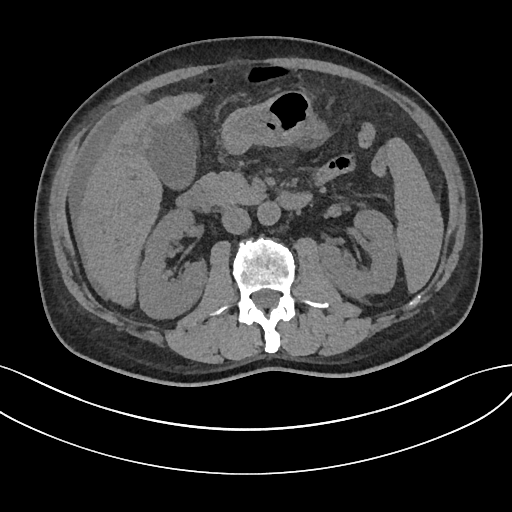 CT abdomen; axial view; W/L 400/40 HU
Organ boxes in pixel coordinates; each row gives the top-left (x1, y1) and bottom-right (x2, y2) corners.
| organ | x1 | y1 | x2 | y2 |
|---|---|---|---|---|
| spleen | 386 | 137 | 443 | 294 |
| right kidney | 137 | 210 | 208 | 319 |
| left kidney | 319 | 211 | 397 | 298 |
| gall bladder | 147 | 120 | 197 | 190 |
| liver | 74 | 93 | 204 | 307 |
| stomach | 220 | 90 | 330 | 154 |
| aorta | 257 | 202 | 280 | 226 |
| inferior vena cava | 221 | 206 | 250 | 234 |
| pancreas | 201 | 171 | 266 | 206 |
| duodenum | 177 | 180 | 313 | 210 |